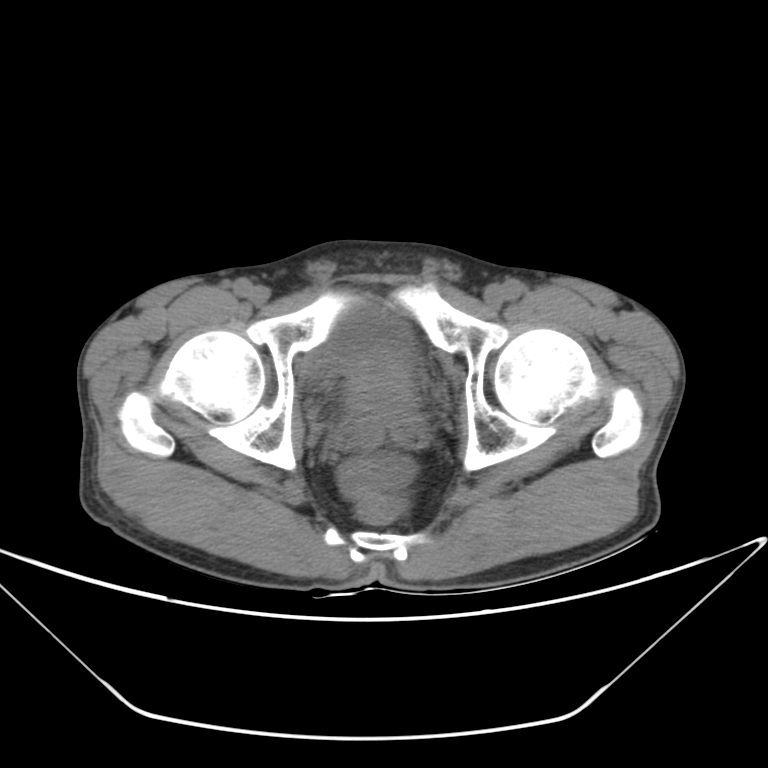

CT abdomen — axial plane, index 18 — soft-tissue window (W 400 / L 40) — 768x768 px — 53-year-old male patient
Bounding boxes as [x1, y1, x2, y2] in pixel coordinates.
Organ bounding boxes:
- bladder: [325, 303, 413, 364]
- prostate/uterus: [344, 356, 415, 412]